Computed tomography, abdomen — axial view — 15 organs annotated in this scan (counted over the whole 3D scan, not this slice; an organ is boxed only where this slice passes through it)
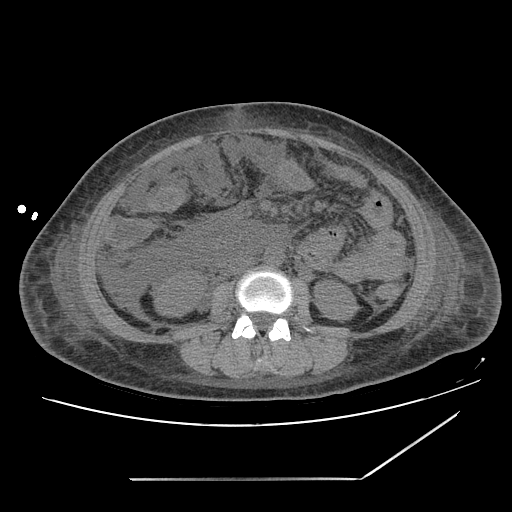

Bounding boxes in pixels, one row per box: x1, y1 is the top-left corner and x2, y2 the bottom-right.
| organ | x1 | y1 | x2 | y2 |
|---|---|---|---|---|
| aorta | 263 | 248 | 283 | 265 |
| left kidney | 314 | 280 | 358 | 321 |
| right kidney | 153 | 271 | 205 | 316 |
| inferior vena cava | 229 | 255 | 254 | 274 |